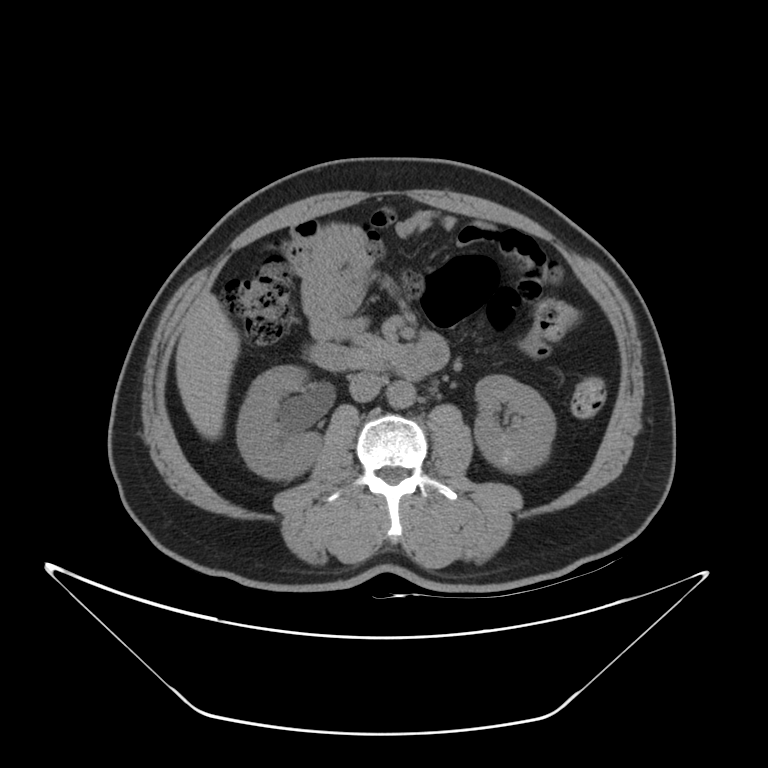

CT abdomen — axial view — soft-tissue window (W 400 / L 40)
Bounding boxes in pixels, one row per box: x1, y1 is the top-left corner and x2, y2 the bottom-right.
| organ | x1 | y1 | x2 | y2 |
|---|---|---|---|---|
| right kidney | 237 | 365 | 322 | 479 |
| left kidney | 474 | 375 | 555 | 473 |
| liver | 176 | 293 | 240 | 439 |
| aorta | 386 | 380 | 414 | 408 |
| inferior vena cava | 349 | 373 | 383 | 402 |
| pancreas | 349 | 333 | 408 | 367 |
| duodenum | 307 | 333 | 449 | 381 |